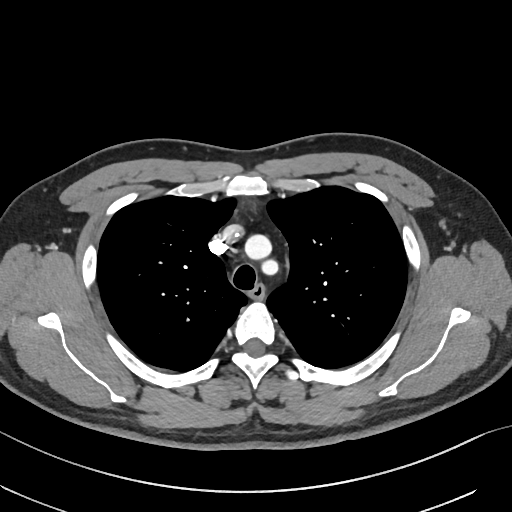 Chest-level slice from an abdominal CT that extends up into the chest · axial view · 512x512 px
On a slice this high in the chest, this dataset labels only the esophagus and the aorta, and each is boxed only where it is labeled; the heart, lungs and other chest structures are not labeled. Bounding boxes as [x1, y1, x2, y2] in pixel coordinates. Labeled organs on this slice: esophagus at [249, 285, 265, 300], aorta at [244, 234, 278, 276].